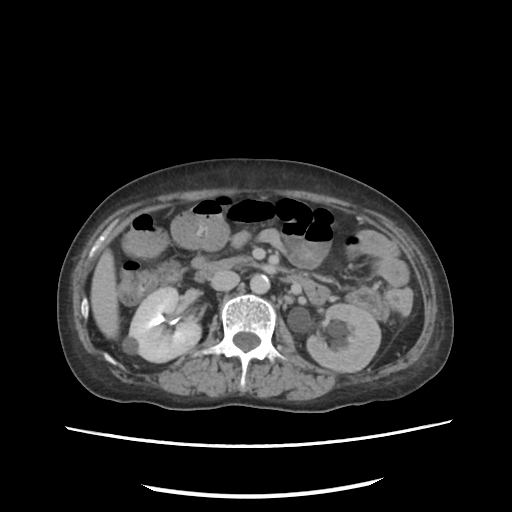 Computed tomography, abdomen. axial view. W/L 400/40 HU. 512x512 px
Bounding boxes as [x1, y1, x2, y2] in pixel coordinates. Labeled organs on this slice: left kidney at [307, 304, 380, 372], aorta at [250, 274, 270, 294], liver at [91, 249, 118, 338], inferior vena cava at [211, 270, 239, 290], pancreas at [233, 256, 256, 265], duodenum at [195, 259, 328, 304], right kidney at [124, 287, 201, 362].